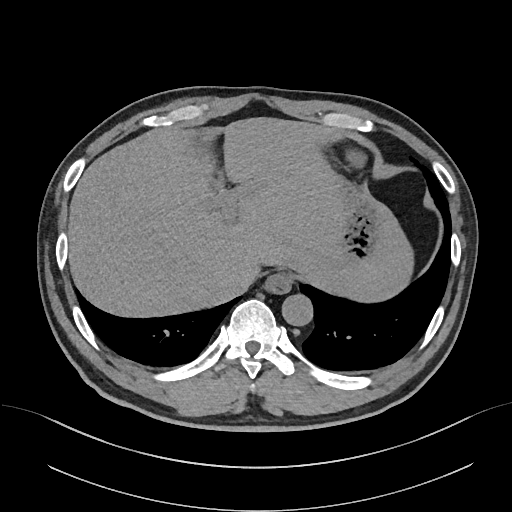
CT abdomen; axial view; 512x512 px; 15 organs annotated in this scan (counted over the whole 3D scan, not this slice; an organ is boxed only where this slice passes through it)
<organs><organ name="stomach" x1="295" y1="139" x2="387" y2="270"/><organ name="esophagus" x1="264" y1="271" x2="292" y2="293"/><organ name="inferior vena cava" x1="232" y1="268" x2="256" y2="293"/><organ name="liver" x1="68" y1="117" x2="415" y2="317"/><organ name="aorta" x1="281" y1="293" x2="312" y2="325"/></organs>